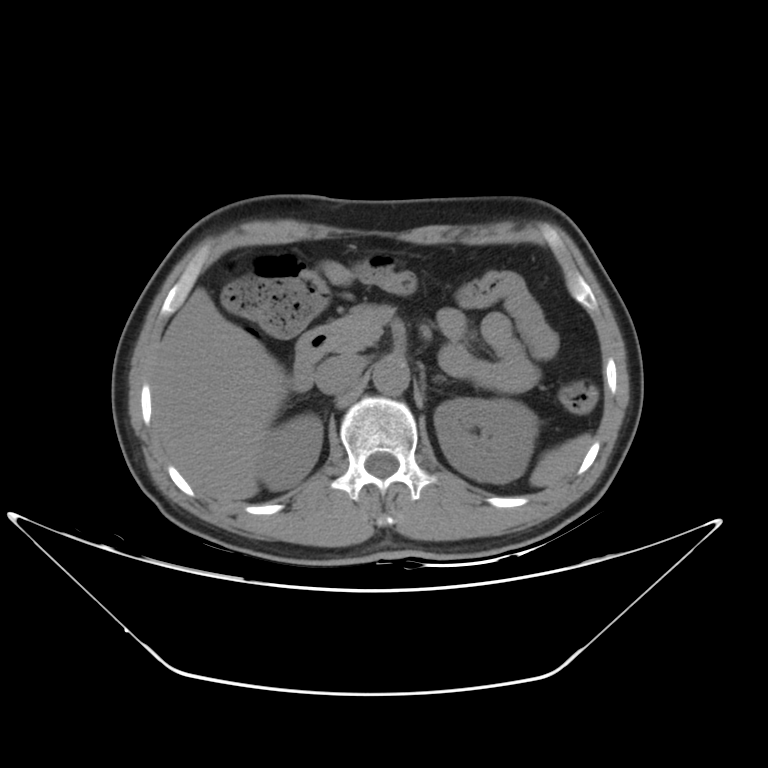
Abdominal CT. axial plane, index 78
Bounding boxes in pixels, one row per box: x1, y1 is the top-left corner and x2, y2 the bottom-right.
| organ | x1 | y1 | x2 | y2 |
|---|---|---|---|---|
| spleen | 529 | 432 | 592 | 487 |
| right kidney | 259 | 418 | 322 | 488 |
| left kidney | 433 | 398 | 539 | 482 |
| liver | 154 | 288 | 286 | 505 |
| aorta | 372 | 357 | 410 | 392 |
| inferior vena cava | 316 | 355 | 363 | 392 |
| pancreas | 329 | 303 | 390 | 351 |
| left adrenal gland | 434 | 375 | 446 | 379 |
| duodenum | 292 | 328 | 332 | 390 |